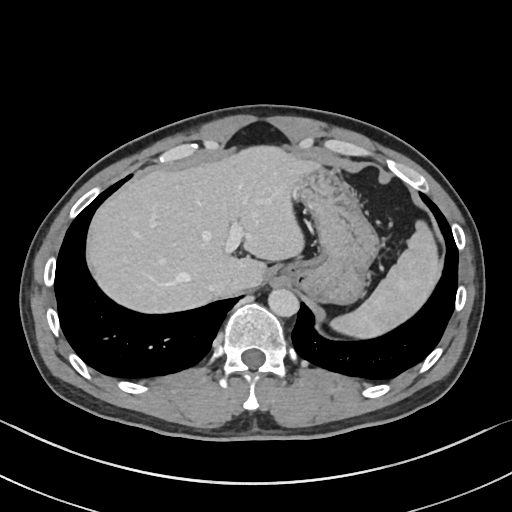
CT abdomen; axial view
Coordinates as <box>x1,y1,x2,y2</box> in pixels. The annotated organs in this slice are: spleen at <box>330,220,440,338</box>, liver at <box>87,145,312,312</box>, stomach at <box>273,163,379,304</box>, aorta at <box>268,288,298,316</box>, inferior vena cava at <box>208,278,232,293</box>.